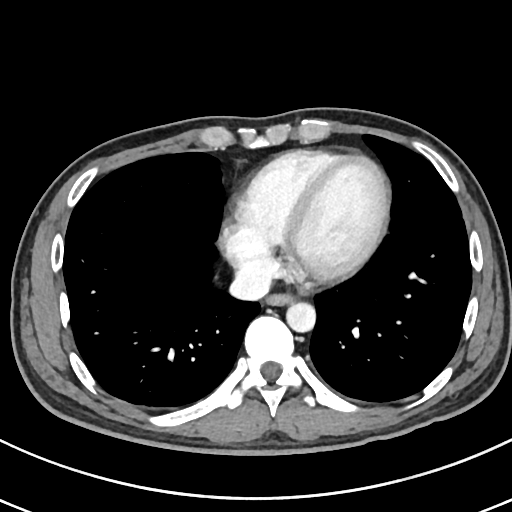 CT of the abdomen reaching into the lower chest, slice just above the liver and spleen · axial view · 512x512 px · SOMATOM Force scanner · 15 organs annotated in this scan (counted over the whole 3D scan, not this slice; an organ is boxed only where this slice passes through it)
The heart and lungs are never labeled in this dataset, so they have no box on this slice.
Bounding boxes in pixels, one row per box: x1, y1 is the top-left corner and x2, y2 the bottom-right.
| organ | x1 | y1 | x2 | y2 |
|---|---|---|---|---|
| esophagus | 266 | 295 | 293 | 305 |
| aorta | 286 | 302 | 316 | 332 |
| inferior vena cava | 230 | 265 | 271 | 300 |